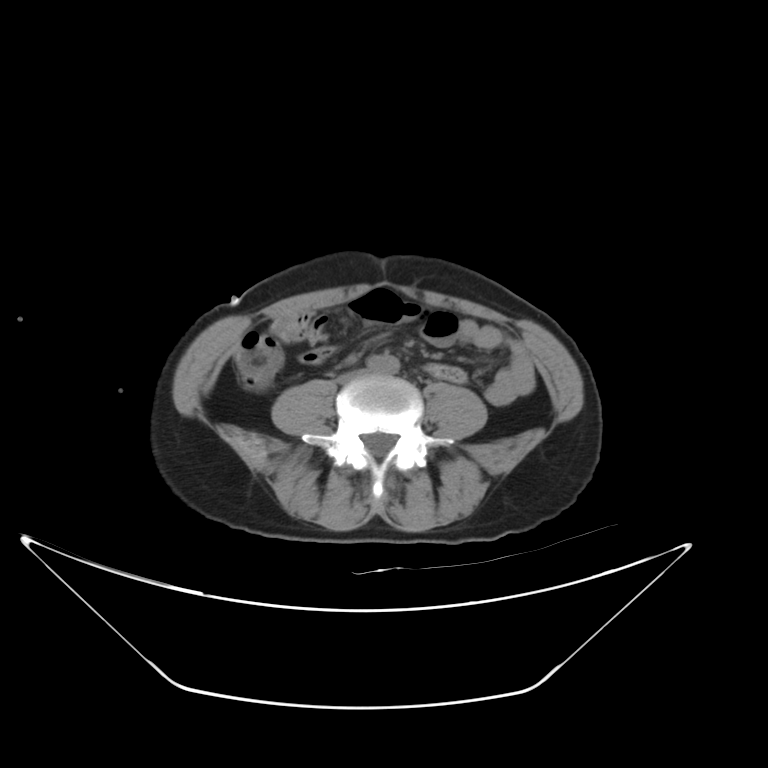

CT, abdomen/pelvis; axial view; soft-tissue window; 768x768 px
<organs><organ name="aorta" x1="366" y1="355" x2="399" y2="374"/><organ name="inferior vena cava" x1="336" y1="369" x2="364" y2="383"/></organs>